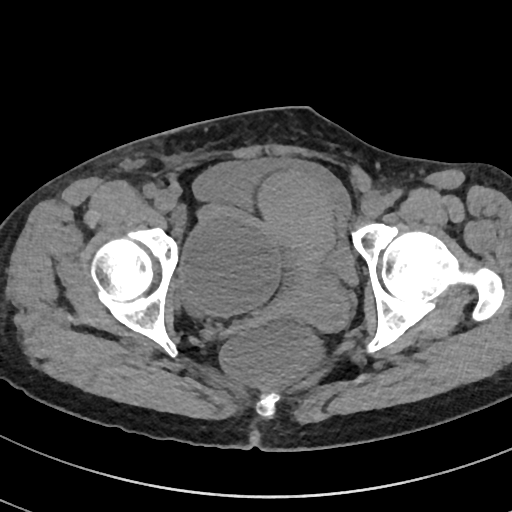

CT, abdomen/pelvis; axial view; acquired on SOMATOM Force
{"organs":{"bladder":[194,157,359,284],"prostate/uterus":[257,169,347,330]}}